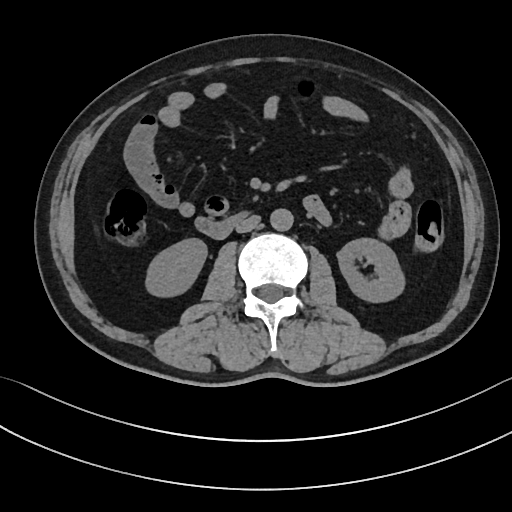
Computed tomography, abdomen — axial view — acquired on SOMATOM Force
One row per box, in pixels: columns x1 and y1 give the top-left corner, x2 and y2 the bottom-right.
| organ | x1 | y1 | x2 | y2 |
|---|---|---|---|---|
| right kidney | 144 | 237 | 207 | 297 |
| left kidney | 337 | 238 | 405 | 303 |
| aorta | 270 | 208 | 293 | 231 |
| inferior vena cava | 235 | 215 | 260 | 232 |
| duodenum | 195 | 209 | 249 | 239 |